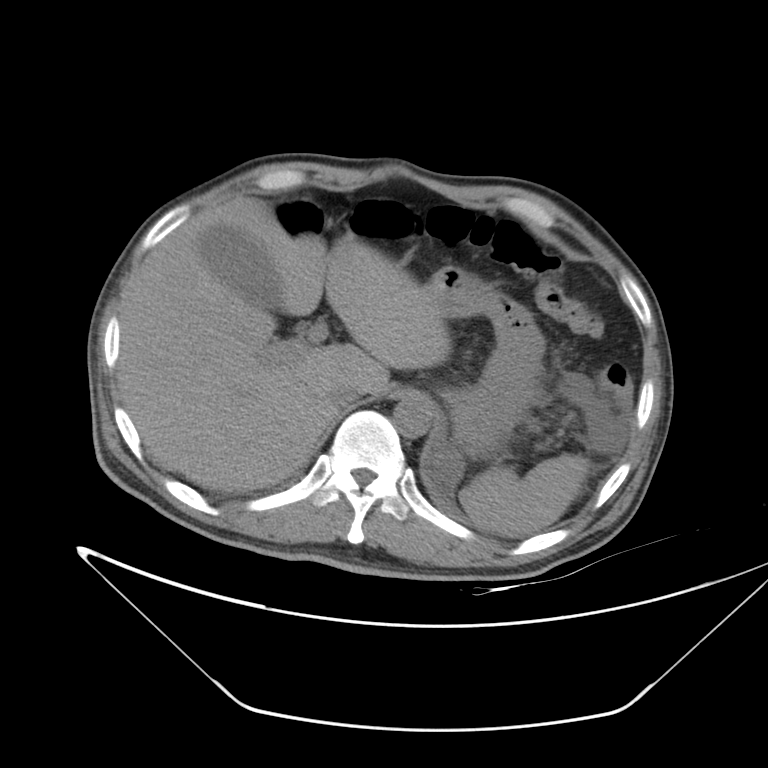

Abdominal CT — axial view — abdomen soft-tissue window
<organs><organ name="aorta" x1="393" y1="397" x2="433" y2="437"/><organ name="gall bladder" x1="201" y1="227" x2="280" y2="311"/><organ name="spleen" x1="458" y1="454" x2="587" y2="536"/><organ name="liver" x1="117" y1="194" x2="451" y2="491"/><organ name="inferior vena cava" x1="326" y1="379" x2="361" y2="406"/><organ name="stomach" x1="426" y1="267" x2="545" y2="456"/></organs>